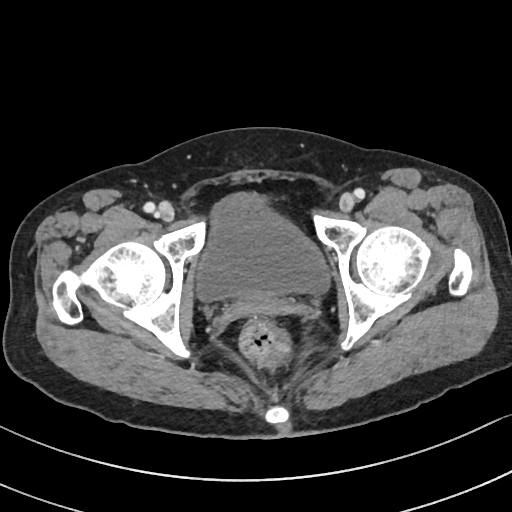

Abdominal CT; Axial slice 30/314; abdomen soft-tissue window; 512x512 px; SOMATOM Force scanner
One row per box, in pixels: columns x1 and y1 give the top-left corner, x2 and y2 the bottom-right.
| organ | x1 | y1 | x2 | y2 |
|---|---|---|---|---|
| bladder | 195 | 191 | 329 | 299 |